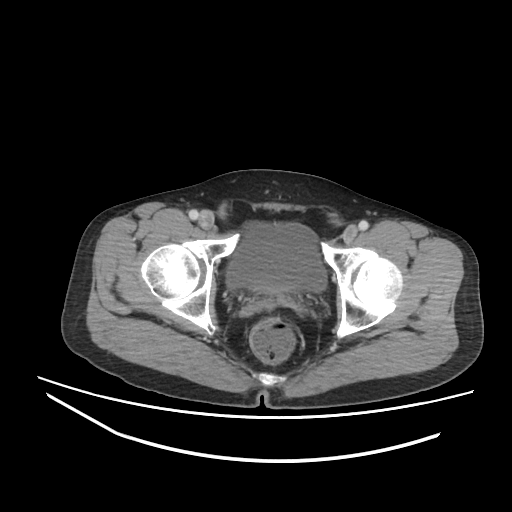 CT, abdomen/pelvis; axial view; abdomen soft-tissue window
Bounding boxes as [x1, y1, x2, y2] in pixel coordinates.
bladder: [227, 222, 326, 292]